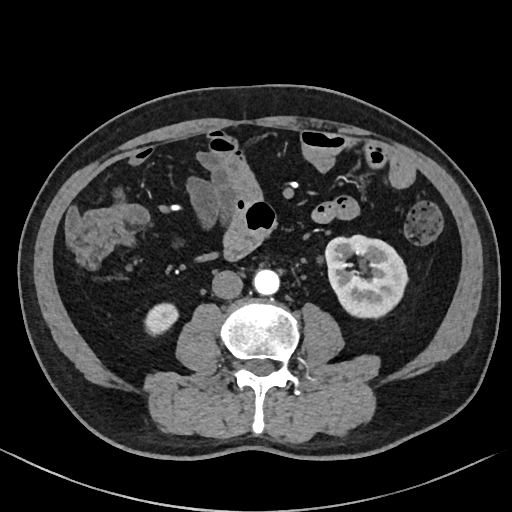

CT, abdomen/pelvis · axial view
Organ boxes in pixel coordinates; each row gives the top-left (x1, y1) and bottom-right (x2, y2) corners.
| organ | x1 | y1 | x2 | y2 |
|---|---|---|---|---|
| right kidney | 145 | 303 | 178 | 334 |
| left kidney | 325 | 235 | 407 | 317 |
| aorta | 253 | 269 | 279 | 294 |
| inferior vena cava | 212 | 270 | 242 | 299 |